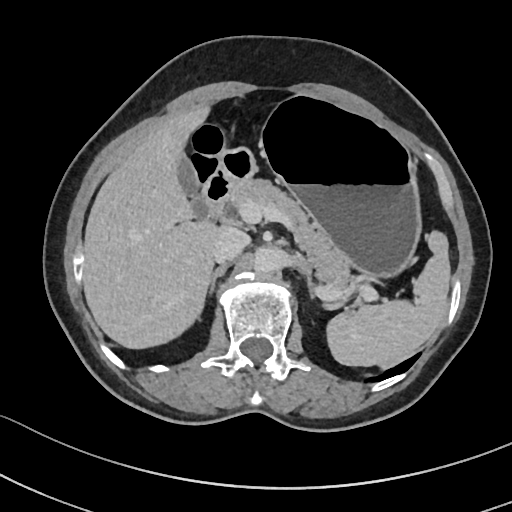
CT, abdomen/pelvis · Axial slice 140/192 · 512x512 px · SOMATOM Force scanner
Bounding boxes as [x1, y1, x2, y2] in pixel coordinates.
Organ bounding boxes:
- gall bladder: [174, 153, 198, 195]
- left adrenal gland: [298, 259, 314, 298]
- stomach: [264, 93, 418, 275]
- right adrenal gland: [198, 265, 224, 314]
- inferior vena cava: [211, 226, 250, 262]
- duodenum: [194, 145, 258, 222]
- spleen: [328, 233, 449, 366]
- aorta: [255, 245, 288, 272]
- pancreas: [226, 178, 353, 289]
- liver: [82, 106, 215, 348]